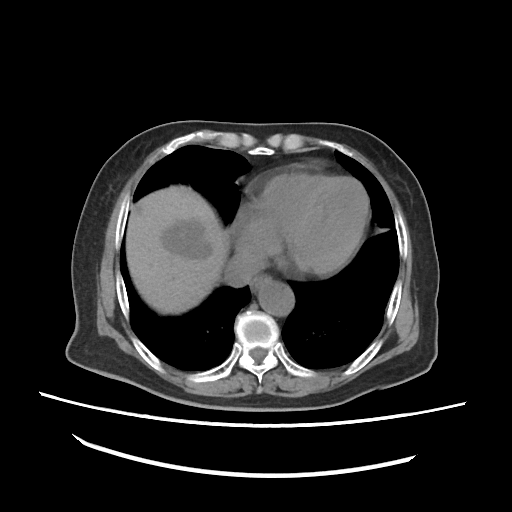
CT abdomen. axial view. soft-tissue window. 75-year-old female patient. 15 organs annotated in this scan (that count is for the whole scan; organs this slice misses have no box)
Bounding boxes in pixels, one row per box: x1, y1 is the top-left corner and x2, y2 the bottom-right.
| organ | x1 | y1 | x2 | y2 |
|---|---|---|---|---|
| esophagus | 251 | 277 | 269 | 291 |
| liver | 126 | 184 | 228 | 314 |
| aorta | 258 | 282 | 292 | 316 |
| inferior vena cava | 225 | 253 | 265 | 286 |